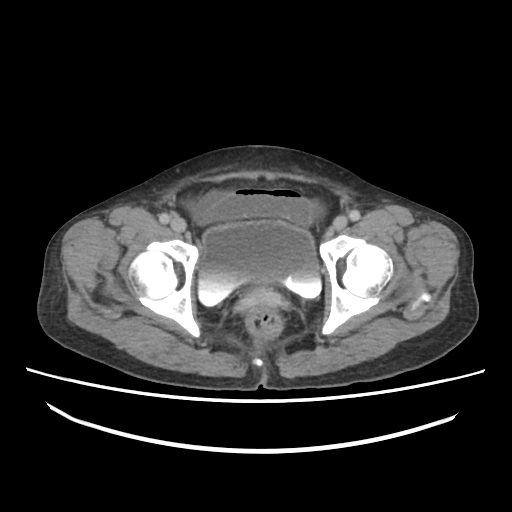

CT abdomen. Axial slice 17/100. soft-tissue window (W 400 / L 40). acquired on Aquilion ONE. 15 organs annotated in this scan (that count is for the whole scan; organs this slice misses have no box)
Coordinates as <box>x1,y1,x2,y2</box> in pixels.
bladder: <box>197,224,321,305</box>